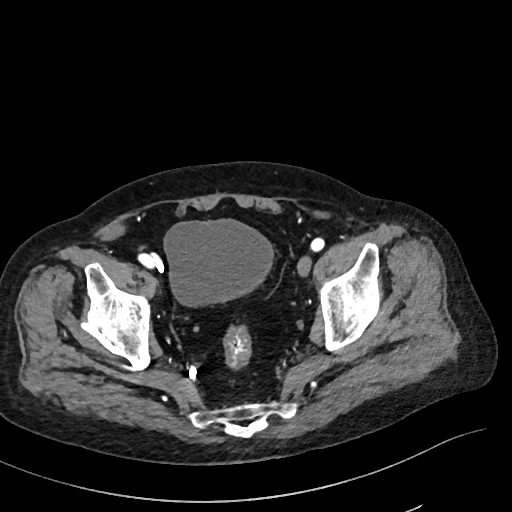
Computed tomography, abdomen — Axial slice 51/235 — soft-tissue window (W 400 / L 40) — SOMATOM Force scanner
{"organs":{"bladder":[164,220,272,304]}}